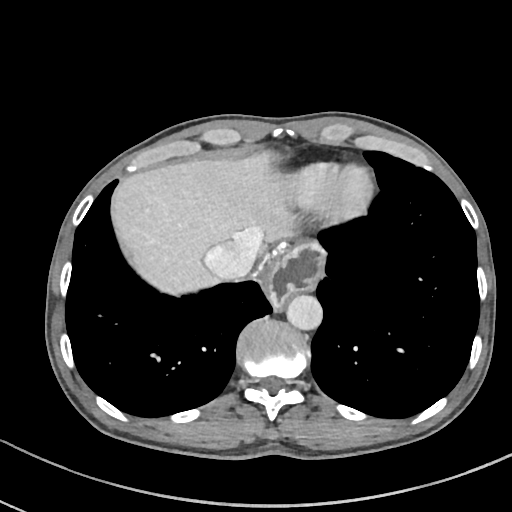

Abdominal CT — axial view
Coordinates as <box>x1,y1,x2,y2</box> in pixels.
liver: <box>112,150,296,293</box>
stomach: <box>268,241,323,306</box>
aorta: <box>286,294,322,329</box>
inferior vena cava: <box>204,241,254,281</box>